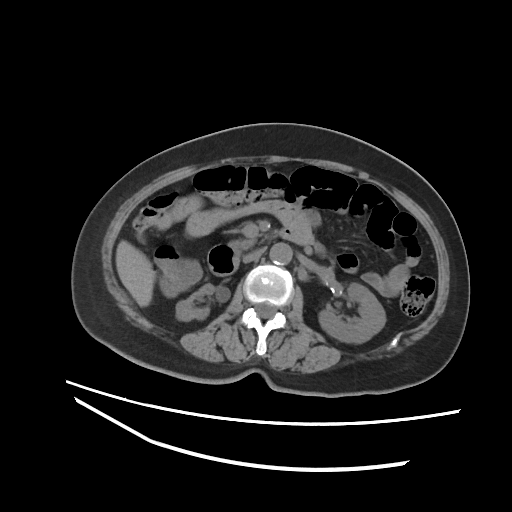
Computed tomography, abdomen; axial view; soft-tissue window (W 400 / L 40); 512x512 px; 57-year-old female patient
Boxes: x1:y1:x2:y2 in pixels.
Organ bounding boxes:
- right kidney: 176:293:209:321
- left kidney: 319:283:385:343
- liver: 116:240:155:306
- aorta: 269:243:292:264
- inferior vena cava: 242:249:263:262
- pancreas: 229:239:255:252
- duodenum: 207:228:313:275